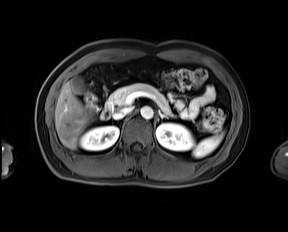
Abdominal MR; axial plane, index 28
Boxes: x1 y1 x2 y2 (pixel coords, space-separated).
left adrenal gland: 158 109 168 119
aorta: 140 106 153 119
inferior vena cava: 113 107 132 119
gall bladder: 71 77 86 95
pancreas: 106 83 171 115
duodenum: 100 104 110 119
spleen: 193 134 222 157
left kidney: 156 123 194 150
liver: 55 82 90 149
right kidney: 80 126 118 150